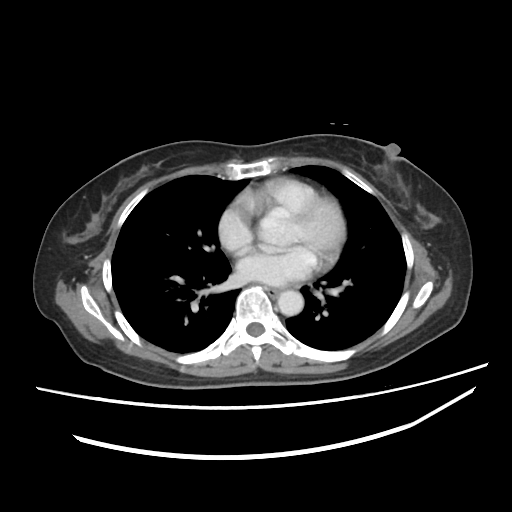
CT of the abdomen reaching into the lower chest, slice just above the liver and spleen · axial view · 512x512 px · Aquilion ONE scanner
Of the structures in the chest, this dataset labels only the esophagus, the aorta and the inferior vena cava; the heart and lungs have no label.
<organs><organ name="esophagus" x1="267" y1="287" x2="280" y2="295"/><organ name="aorta" x1="277" y1="290" x2="303" y2="316"/></organs>